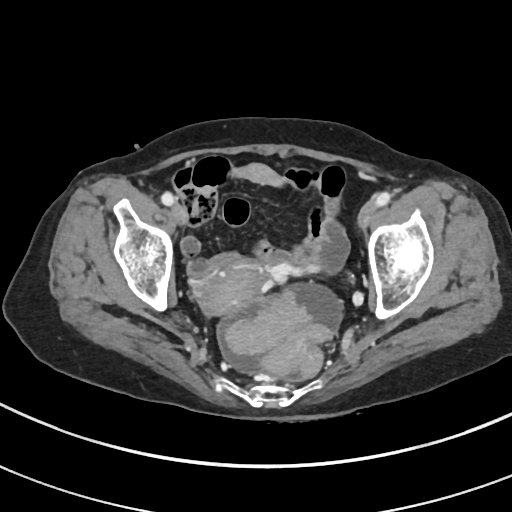

CT abdomen. axial plane, index 34. abdomen soft-tissue window. 512x512 px
<organs><organ name="prostate/uterus" x1="202" y1="260" x2="263" y2="311"/></organs>